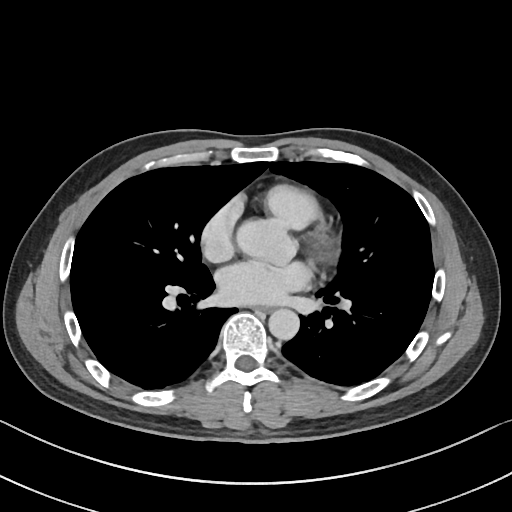
CT of the abdomen extending into the chest, slice through the chest; axial view; soft-tissue window (W 400 / L 40)
On a slice this high in the chest, this dataset labels only the esophagus and the aorta, and each is boxed only where it is labeled; the heart, lungs and other chest structures are not labeled.
<organs><organ name="esophagus" x1="254" y1="306" x2="270" y2="314"/><organ name="aorta" x1="268" y1="309" x2="299" y2="340"/></organs>